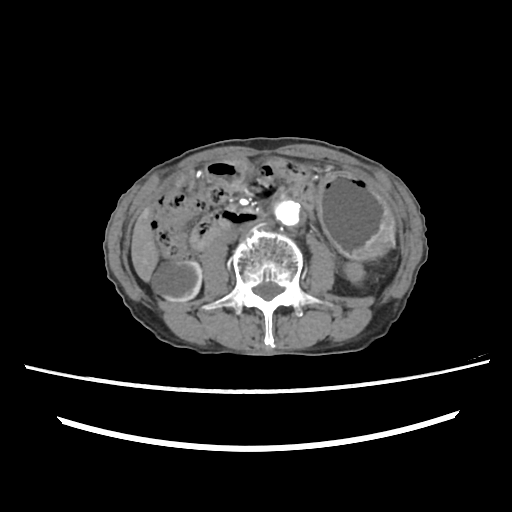

Computed tomography, abdomen — axial view
One row per box, in pixels: columns x1 and y1 give the top-left corner, x2 and y2 the bottom-right.
| organ | x1 | y1 | x2 | y2 |
|---|---|---|---|---|
| right kidney | 152 | 260 | 201 | 301 |
| liver | 131 | 209 | 158 | 281 |
| stomach | 232 | 157 | 392 | 259 |
| aorta | 272 | 198 | 303 | 229 |
| inferior vena cava | 219 | 227 | 243 | 243 |
| duodenum | 190 | 160 | 260 | 250 |